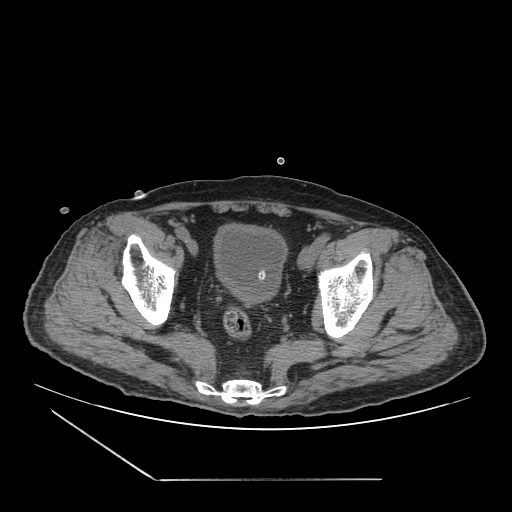

Computed tomography, abdomen · axial view · soft-tissue window · 512x512 px
<organs><organ name="bladder" x1="214" y1="223" x2="287" y2="303"/></organs>